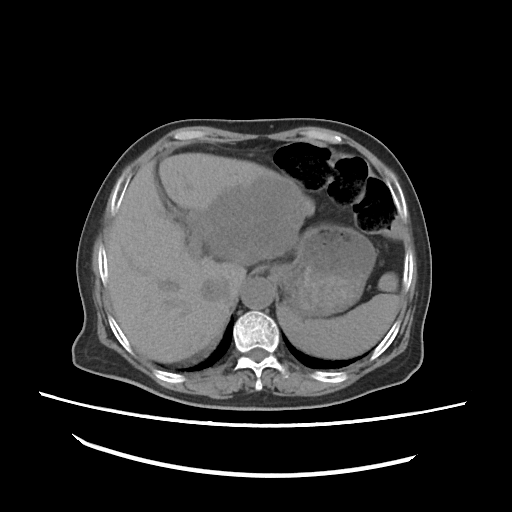
Computed tomography, abdomen. axial plane, index 80. soft-tissue window (W 400 / L 40). 75-year-old female patient. scan has 15 labeled organs (a whole-scan count: organs this slice does not pass through have no box)
One row per box, in pixels: columns x1 and y1 give the top-left corner, x2 and y2 the bottom-right.
| organ | x1 | y1 | x2 | y2 |
|---|---|---|---|---|
| spleen | 278 | 274 | 399 | 358 |
| liver | 107 | 152 | 315 | 362 |
| stomach | 267 | 224 | 376 | 322 |
| aorta | 241 | 277 | 273 | 310 |
| inferior vena cava | 200 | 278 | 228 | 299 |